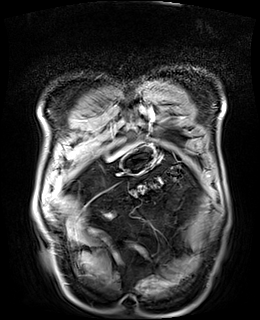

Magnetic resonance imaging, abdomen · coronal view · percentile-normalized · 260x320 px · scan has 13 labeled organs (counted over the whole 3D scan, not this slice; an organ is boxed only where this slice passes through it)
{"organs":{"liver":[108,147,128,160],"stomach":[121,143,156,173]}}